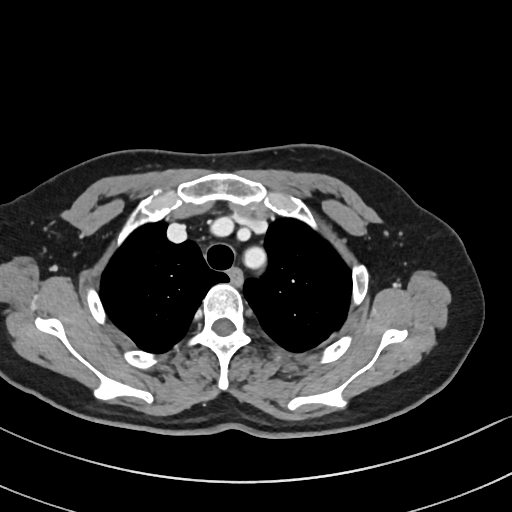
Chest-level slice from an abdominal CT that extends up into the chest · axial plane, index 287 · SOMATOM Force scanner · 14 organs annotated in this scan (counted over the whole 3D scan, not this slice; an organ is boxed only where this slice passes through it)
On a slice this high in the chest, this dataset labels only the esophagus and the aorta, and each is boxed only where it is labeled; the heart, lungs and other chest structures are not labeled.
Organ boxes in pixel coordinates; each row gives the top-left (x1, y1) and bottom-right (x2, y2) corners.
| organ | x1 | y1 | x2 | y2 |
|---|---|---|---|---|
| esophagus | 231 | 270 | 240 | 282 |